Computed tomography, abdomen · axial view
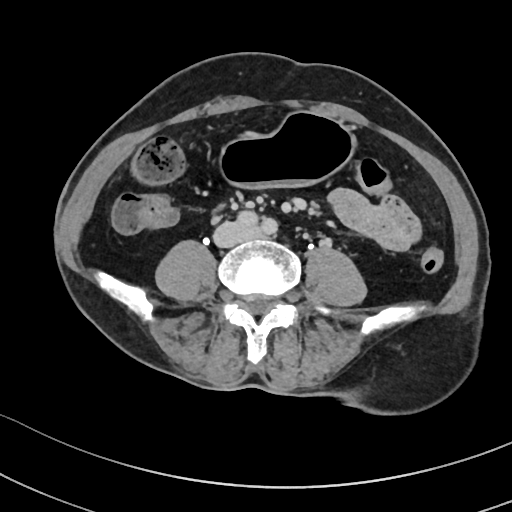 {"organs":{"stomach":[222,110,353,186],"inferior vena cava":[214,223,250,246],"duodenum":[211,202,227,212]}}